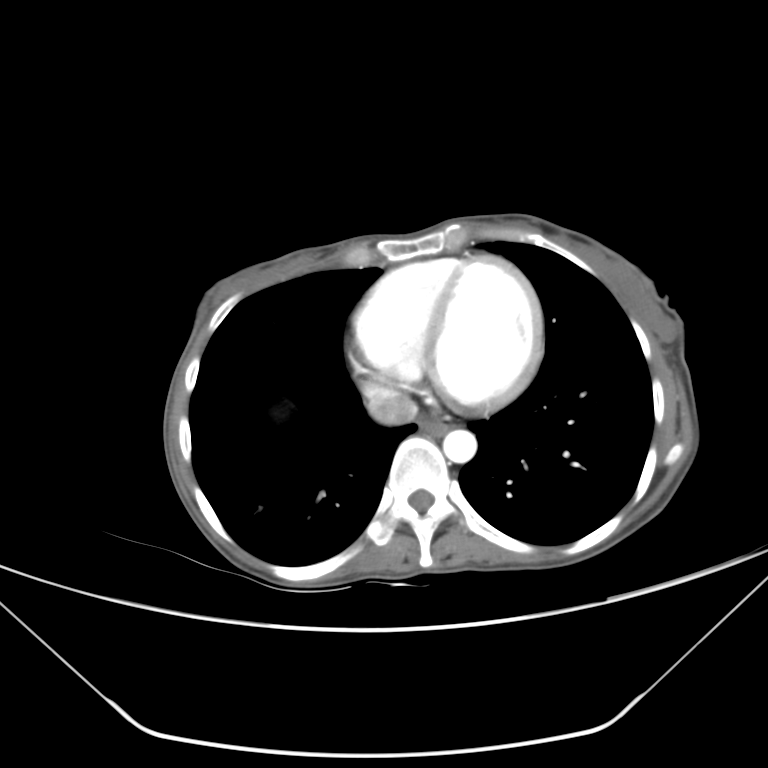
Lower-chest slice from an abdominal CT, just above the liver and spleen — axial view — acquired on Brilliance16
Of the structures in the chest, this dataset labels only the esophagus, the aorta and the inferior vena cava; the heart and lungs have no label.
One row per box, in pixels: columns x1 and y1 give the top-left corner, x2 and y2 the bottom-right.
| organ | x1 | y1 | x2 | y2 |
|---|---|---|---|---|
| esophagus | 419 | 420 | 447 | 435 |
| aorta | 442 | 429 | 477 | 463 |
| inferior vena cava | 367 | 391 | 417 | 425 |